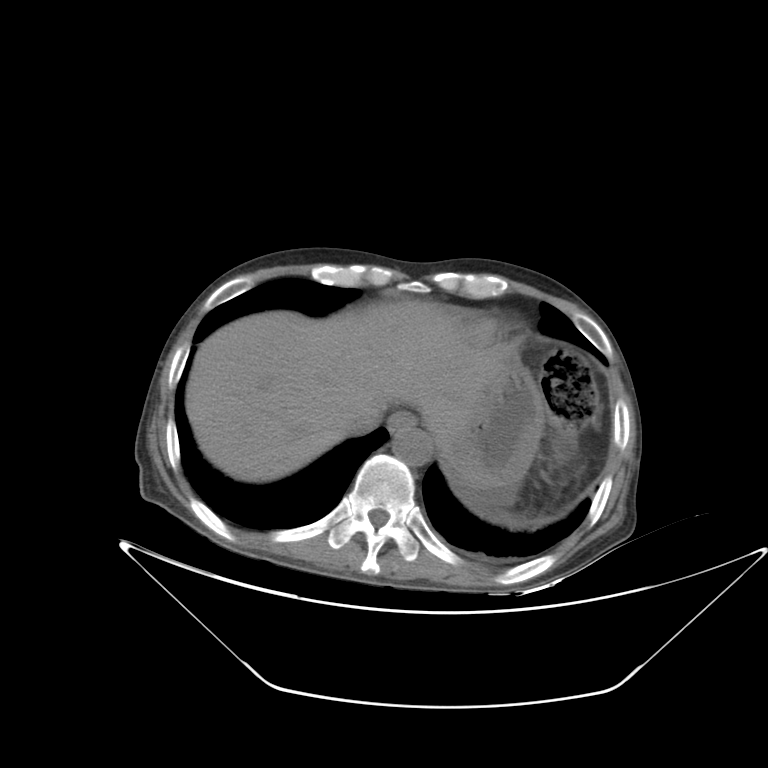 Abdominal CT · axial view · 768x768 px · 56-year-old male patient · 14 organs annotated in this scan (a whole-scan count: organs this slice does not pass through have no box)
Boxes: x1 y1 x2 y2 (pixel coords, space-separated).
esophagus: 388 411 417 432
liver: 185 300 513 482
stomach: 438 353 546 484
aorta: 392 427 432 466
inferior vena cava: 342 398 385 435